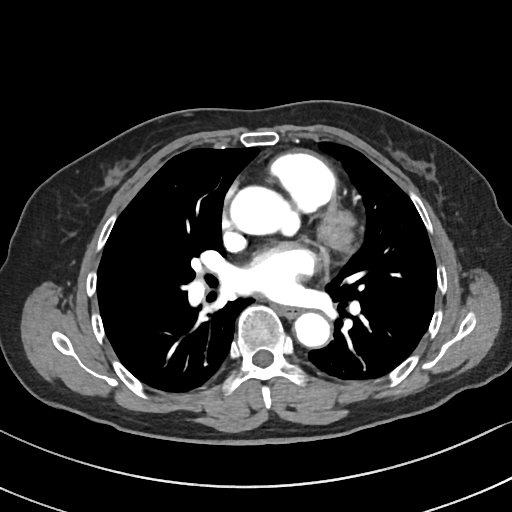
Abdominal CT; this slice is in the lower chest, just above the liver — axial plane, index 228 — 512x512 px — acquired on SOMATOM Force
Of the structures in the chest, this dataset labels only the esophagus, the aorta and the inferior vena cava; the heart and lungs have no label.
Each box given as x1,y1,x2,y2.
Organ bounding boxes:
- esophagus: x1=277, y1=306, x2=298, y2=316
- aorta: x1=228, y1=186, x2=300, y2=236
- aorta: x1=294, y1=312, x2=330, y2=347